CT, abdomen/pelvis; axial view; W/L 400/40 HU; 54-year-old male patient
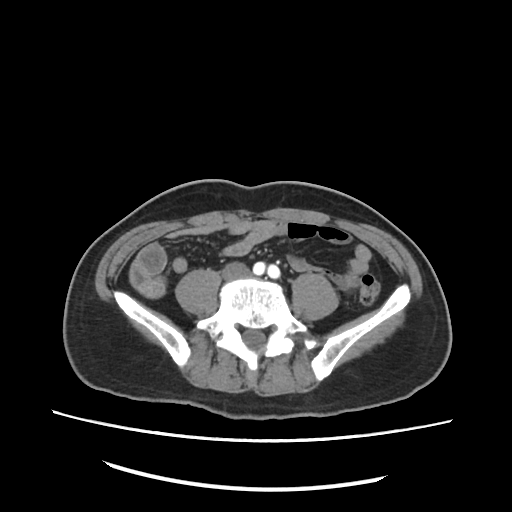
Coordinates as <box>x1,y1,x2,y2</box> in pixels. The annotated organs in this slice are: inferior vena cava at <box>220,263,248,281</box>.